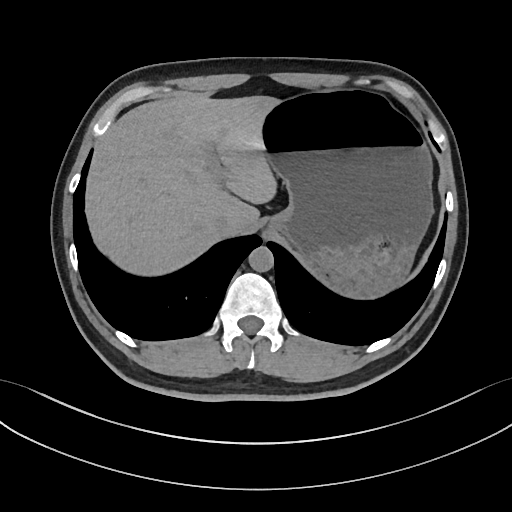

Abdominal CT; axial plane, index 193; 512x512 px; acquired on SOMATOM Force
{"organs":{"aorta":[248,246,273,271],"liver":[86,96,280,275],"stomach":[262,90,432,297],"inferior vena cava":[213,213,228,231]}}